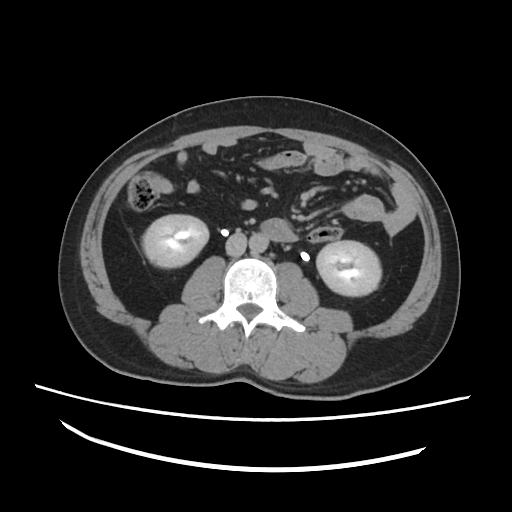
Abdominal CT; Axial slice 57/97; 512x512 px
Each box given as x1,y1,x2,y2.
right kidney: x1=141, y1=215, x2=207, y2=267
left kidney: x1=318, y1=240, x2=380, y2=295
aorta: x1=247, y1=232, x2=268, y2=253
inferior vena cava: x1=226, y1=230, x2=246, y2=254